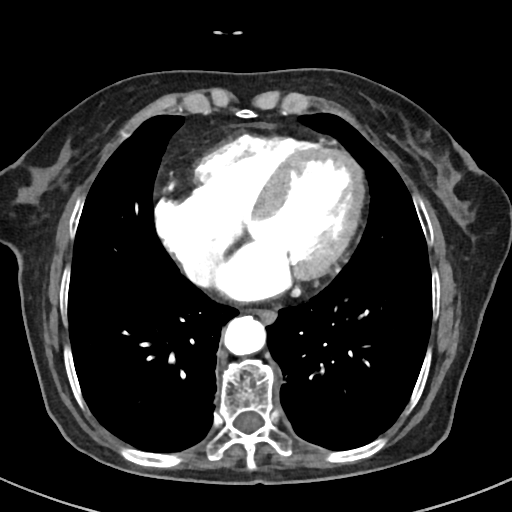
Abdominal CT; this slice is in the lower chest, just above the liver · axial view · soft-tissue window (W 400 / L 40)
Of the structures in the chest, this dataset labels only the esophagus, the aorta and the inferior vena cava; the heart and lungs have no label.
<organs><organ name="aorta" x1="223" y1="316" x2="264" y2="355"/><organ name="inferior vena cava" x1="186" y1="254" x2="219" y2="287"/><organ name="esophagus" x1="250" y1="309" x2="277" y2="323"/></organs>